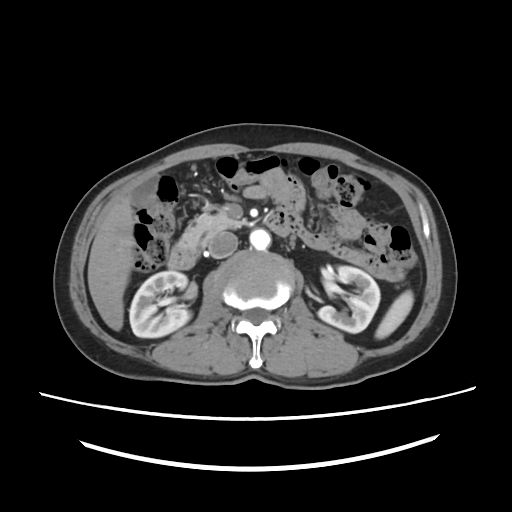

Abdominal CT; axial plane, index 60; soft-tissue window (W 400 / L 40); 512x512 px; Aquilion ONE scanner
Coordinates as <box>x1,y1,x2,y2</box> in pixels. The annotated organs in this slice are: spleen at <box>375,290,413,339</box>, right kidney at <box>129,271,191,337</box>, left kidney at <box>318,266,380,333</box>, gall bladder at <box>130,177,157,205</box>, liver at <box>87,196,134,330</box>, aorta at <box>249,228,270,249</box>, inferior vena cava at <box>207,231,238,258</box>, pancreas at <box>178,212,245,248</box>, duodenum at <box>167,209,298,269</box>.